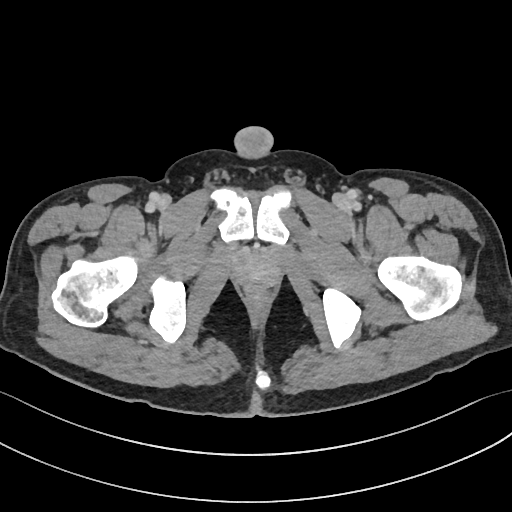
CT abdomen; axial plane, index 22; abdomen soft-tissue window
Boxes: x1:y1:x2:y2 in pixels.
Organ bounding boxes:
- prostate/uterus: 234:250:279:287